Computed tomography, abdomen · axial view · 39-year-old male patient · Aquilion ONE scanner · 15 organs annotated in this scan (a whole-scan count: organs this slice does not pass through have no box)
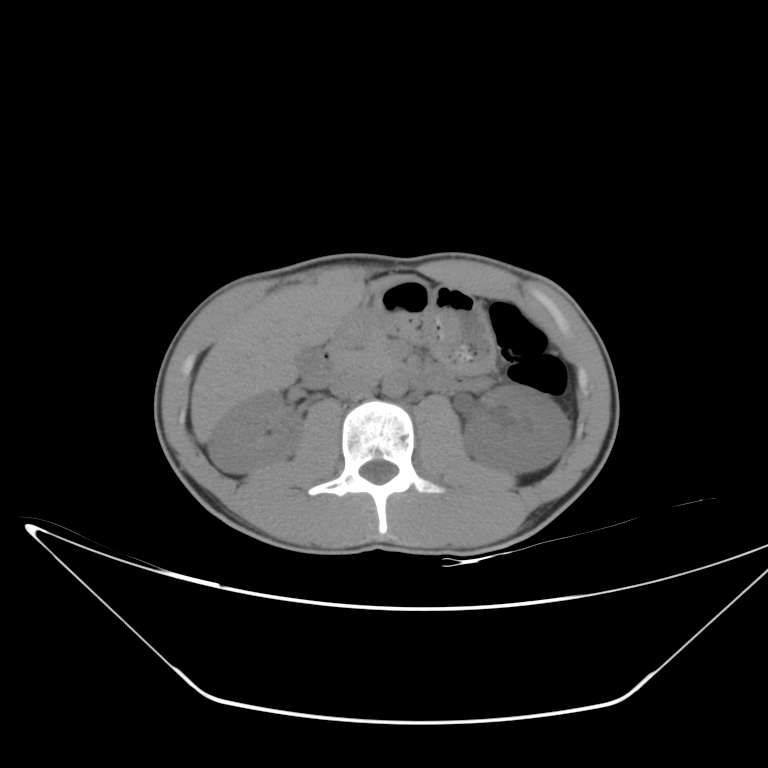

<organs><organ name="right kidney" x1="208" y1="391" x2="302" y2="472"/><organ name="aorta" x1="383" y1="374" x2="406" y2="396"/><organ name="pancreas" x1="333" y1="336" x2="399" y2="374"/><organ name="liver" x1="191" y1="276" x2="418" y2="443"/><organ name="left kidney" x1="463" y1="384" x2="571" y2="472"/><organ name="gall bladder" x1="296" y1="347" x2="320" y2="371"/><organ name="stomach" x1="347" y1="281" x2="496" y2="373"/><organ name="duodenum" x1="302" y1="312" x2="452" y2="390"/><organ name="inferior vena cava" x1="330" y1="372" x2="377" y2="398"/></organs>